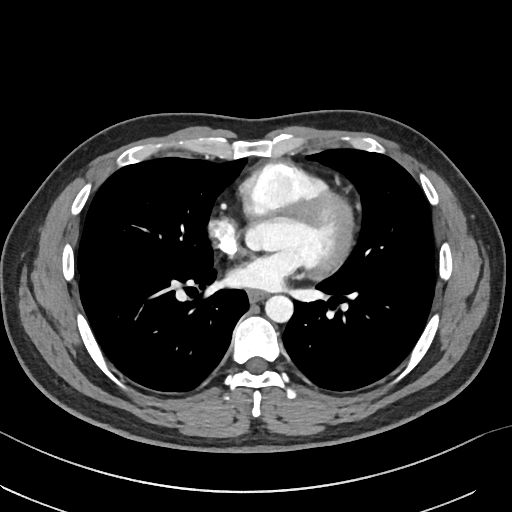

Abdominal CT; this slice is in the lower chest, just above the liver · axial plane, index 226 · soft-tissue window, W/L 400/40 · scan has 15 labeled organs (a whole-scan count: organs this slice does not pass through have no box)
No part of the heart or lungs is labeled in this dataset, so neither has a box here.
Each box given as x1,y1,x2,y2.
aorta: x1=265, y1=295, x2=293, y2=321
esophagus: x1=247, y1=290, x2=266, y2=301